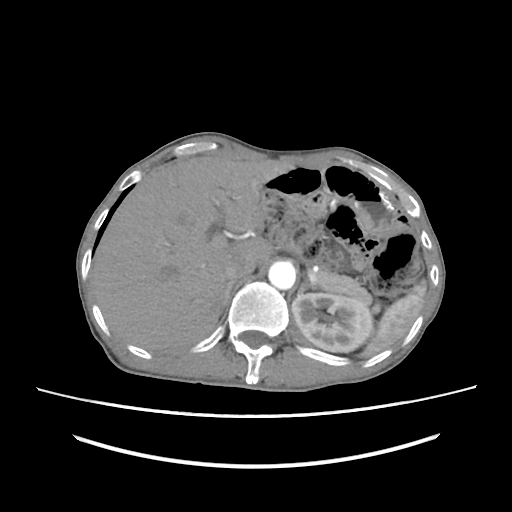

CT abdomen; axial plane, index 68; 512x512 px; 62-year-old male patient; scan has 15 labeled organs (that count is for the whole scan; organs this slice misses have no box)
Box edges are left/top/right/bottom in pixels.
spleen: left=361, top=280, right=426, bottom=356
left kidney: left=292, top=293, right=373, bottom=352
liver: left=90, top=153, right=294, bottom=351
aorta: left=268, top=261, right=295, bottom=289
inferior vena cava: left=224, top=253, right=256, bottom=281
pancreas: left=315, top=265, right=372, bottom=305
right adrenal gland: left=220, top=282, right=233, bottom=314
left adrenal gland: left=297, top=279, right=315, bottom=294